Abdominal MRI. axial plane, index 52. 1st–99th percentile window. 13 organs annotated in this scan (counted over the whole 3D scan, not this slice; an organ is boxed only where this slice passes through it)
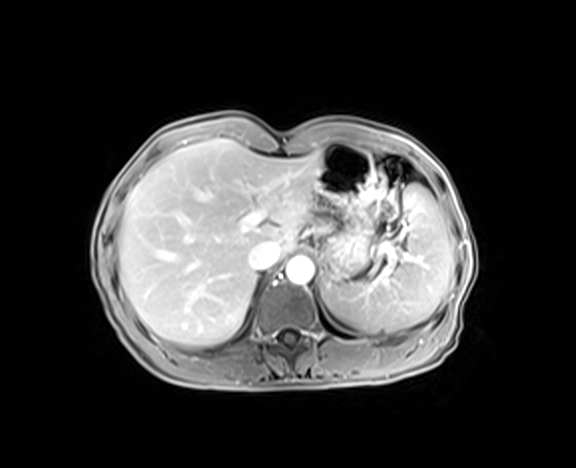

{"organs":{"spleen":[323,184,451,333],"liver":[118,138,321,345],"stomach":[319,142,374,273],"aorta":[286,257,314,284],"inferior vena cava":[249,241,280,272]}}